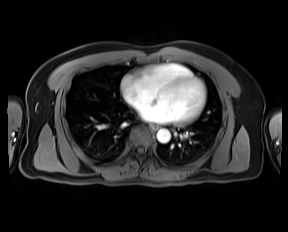 MRI of the abdomen reaching into the lower chest, slice just above the liver and spleen · Axial slice 72/72 · 1st–99th percentile window · scan has 13 labeled organs (a whole-scan count: organs this slice does not pass through have no box)
No part of the heart or lungs is labeled in this dataset, so neither has a box here.
Organ boxes in pixel coordinates; each row gives the top-left (x1, y1) and bottom-right (x2, y2) corners.
| organ | x1 | y1 | x2 | y2 |
|---|---|---|---|---|
| esophagus | 151 | 124 | 158 | 130 |
| aorta | 157 | 129 | 170 | 143 |